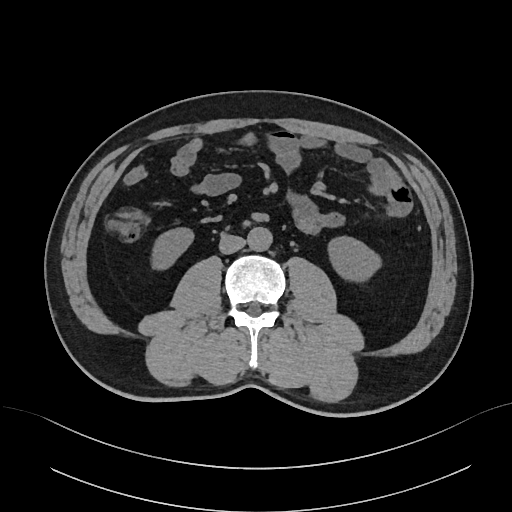

CT, abdomen/pelvis. Axial slice 137/265
Organ boxes in pixel coordinates; each row gives the top-left (x1, y1) and bottom-right (x2, y2) corners.
| organ | x1 | y1 | x2 | y2 |
|---|---|---|---|---|
| aorta | 247 | 227 | 272 | 251 |
| inferior vena cava | 219 | 234 | 245 | 253 |
| right kidney | 151 | 228 | 193 | 269 |
| left kidney | 328 | 236 | 381 | 281 |